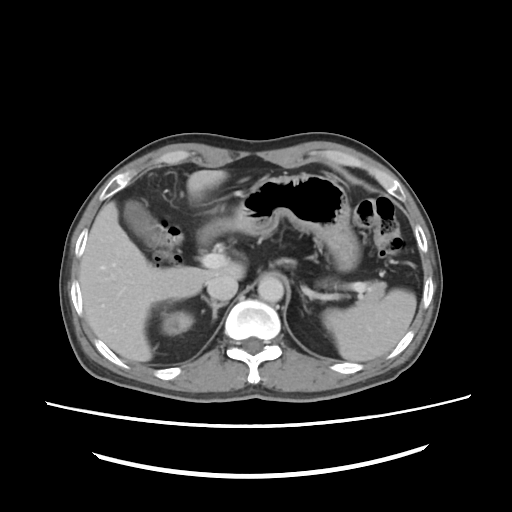

CT abdomen · axial view · soft-tissue window · 45-year-old male patient · acquired on Aquilion ONE
<organs><organ name="stomach" x1="195" y1="174" x2="362" y2="271"/><organ name="pancreas" x1="361" y1="281" x2="385" y2="304"/><organ name="left adrenal gland" x1="303" y1="307" x2="310" y2="314"/><organ name="aorta" x1="257" y1="274" x2="283" y2="302"/><organ name="spleen" x1="322" y1="290" x2="415" y2="362"/><organ name="inferior vena cava" x1="207" y1="274" x2="237" y2="300"/><organ name="gall bladder" x1="124" y1="201" x2="164" y2="247"/><organ name="liver" x1="80" y1="171" x2="244" y2="362"/><organ name="right adrenal gland" x1="201" y1="295" x2="225" y2="319"/><organ name="right kidney" x1="161" y1="311" x2="193" y2="335"/></organs>